CT, abdomen/pelvis · axial view
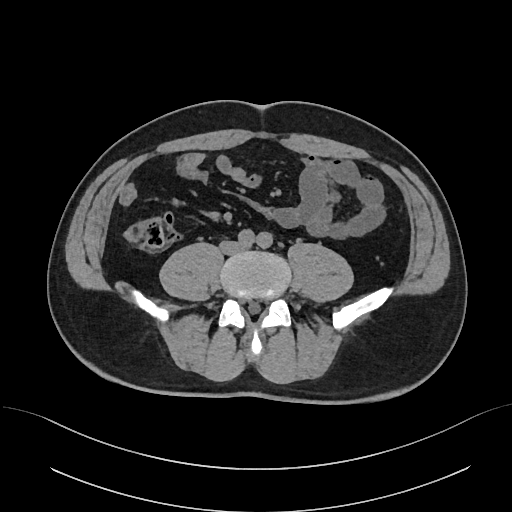

{"organs":{"inferior vena cava":[221,243,239,251]}}